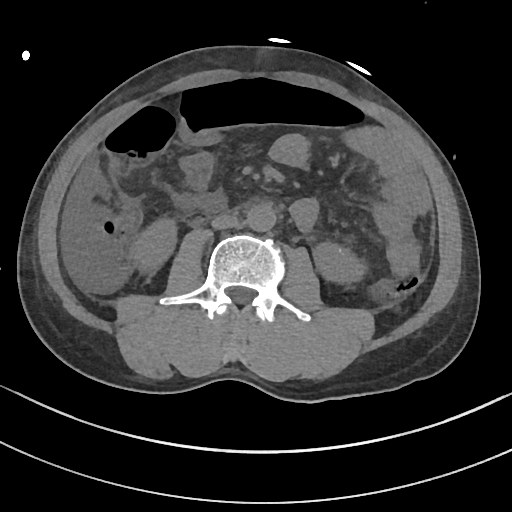

CT abdomen · Axial slice 135/252 · 512x512 px · 15 organs annotated in this scan (that count is for the whole scan; organs this slice misses have no box)
<organs><organ name="right kidney" x1="131" y1="219" x2="176" y2="269"/><organ name="left kidney" x1="313" y1="243" x2="362" y2="281"/><organ name="aorta" x1="246" y1="204" x2="274" y2="231"/><organ name="inferior vena cava" x1="211" y1="214" x2="238" y2="229"/></organs>